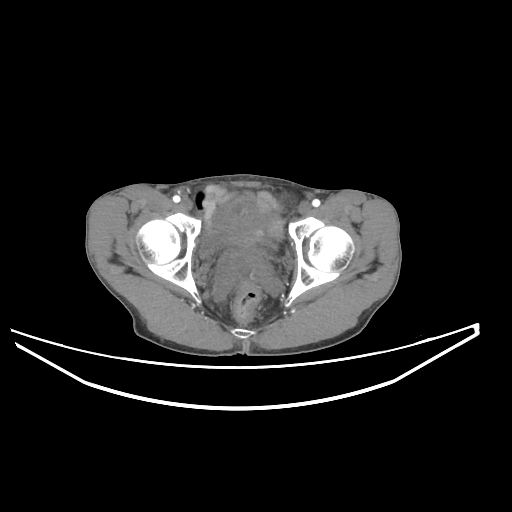

Computed tomography, abdomen; Axial slice 19/131; soft-tissue window; 512x512 px; 60-year-old male patient; Aquilion ONE scanner
Boxes: x1:y1:x2:y2 in pixels.
bladder: 200:214:278:256